CT abdomen. Axial slice 151/251. soft-tissue window (W 400 / L 40). 512x512 px
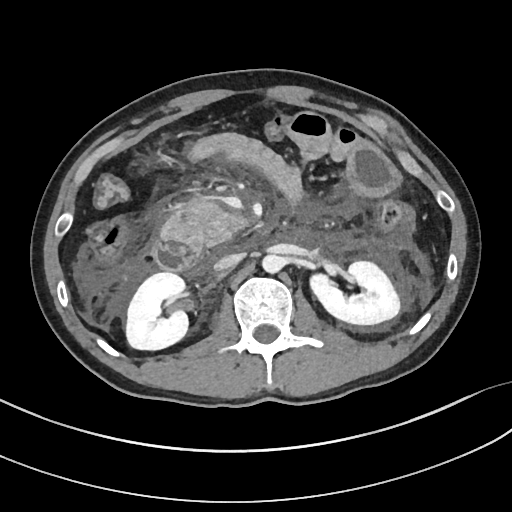
{"organs":{"right kidney":[125,272,188,349],"left kidney":[310,260,400,324],"aorta":[262,254,283,273],"inferior vena cava":[214,253,243,271],"pancreas":[157,199,246,250],"duodenum":[155,239,209,276]}}